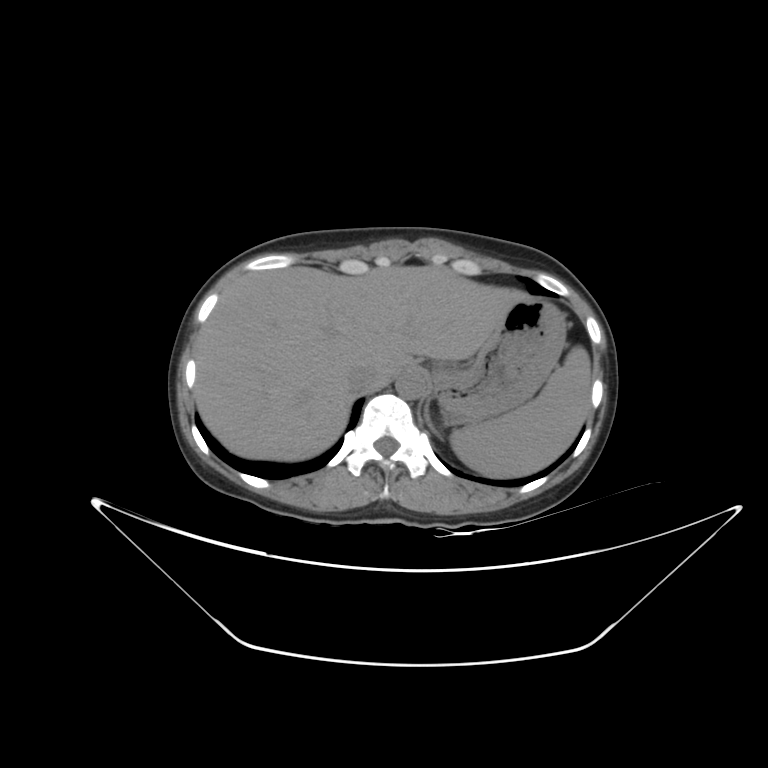

Abdominal CT. axial plane, index 77. acquired on Brilliance16. 15 organs annotated in this scan (that count is for the whole scan; organs this slice misses have no box)
Boxes are (x1, y1, x2, y2) in pixels.
Organ bounding boxes:
- spleen: (449, 346, 591, 478)
- left adrenal gland: (424, 402, 432, 428)
- liver: (194, 265, 523, 461)
- aorta: (396, 369, 426, 399)
- stomach: (432, 294, 566, 425)
- inferior vena cava: (347, 364, 380, 391)